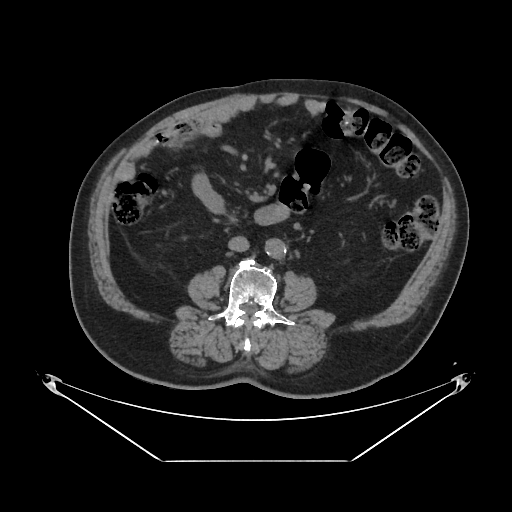 Abdominal CT; Axial slice 184/353; abdomen soft-tissue window
Bounding boxes as [x1, y1, x2, y2] in pixel coordinates.
aorta: [265, 238, 285, 258]
inferior vena cava: [228, 236, 249, 251]